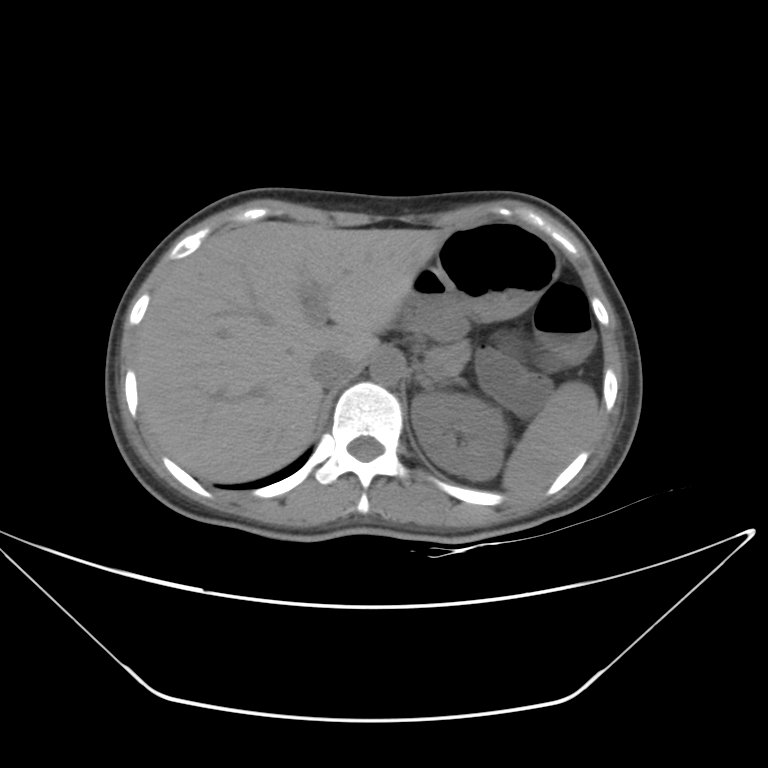
Abdominal CT · axial view · 768x768 px
Bounding boxes as [x1, y1, x2, y2] in pixel coordinates.
spleen: [502, 381, 598, 493]
left kidney: [412, 393, 506, 481]
liver: [136, 220, 447, 482]
stomach: [404, 222, 558, 338]
aorta: [369, 352, 403, 384]
inferior vena cava: [310, 350, 357, 386]
pancreas: [429, 342, 469, 376]
left adrenal gland: [416, 374, 456, 392]